CT of the abdomen extending into the chest, slice through the chest; Axial slice 260/302; SOMATOM Force scanner
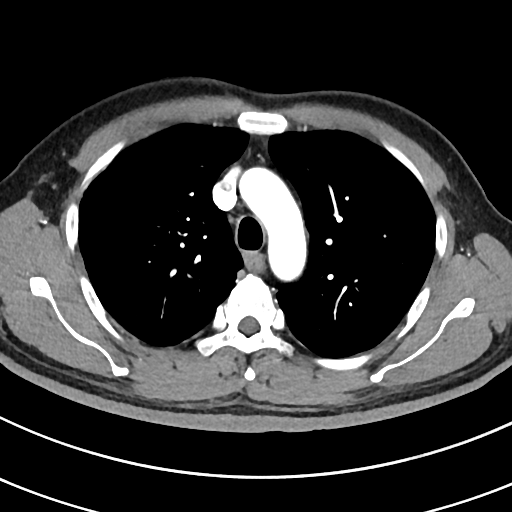

At this level of the chest this dataset labels only the esophagus and the aorta, and each is boxed only where it is labeled; the heart and lungs are never labeled.
Each box given as x1,y1,x2,y2.
Organ bounding boxes:
- esophagus: x1=245, y1=254, x2=262, y2=269
- aorta: x1=238, y1=165, x2=307, y2=285